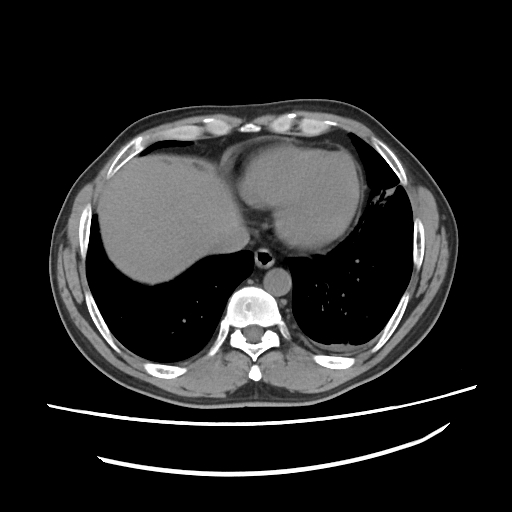

CT, abdomen/pelvis · axial view · 512x512 px · scan has 15 labeled organs (that count is for the whole scan; organs this slice misses have no box)
Boxes: x1:y1:x2:y2 in pixels.
Organ bounding boxes:
- esophagus: 253:248:275:268
- liver: 97:160:242:283
- aorta: 264:267:292:295
- inferior vena cava: 213:227:250:253